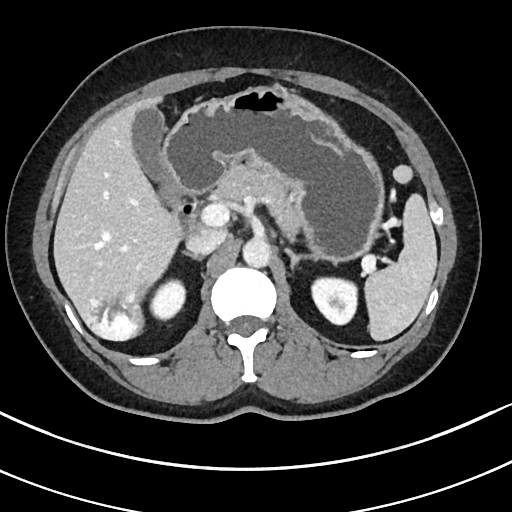
CT, abdomen/pelvis; axial view; 512x512 px
Boxes: x1 y1 x2 y2 (pixel coords, space-separated). The annotated organs in this slice are: duodenum at 173 180 201 241, stomach at 165 84 385 262, gall bladder at 133 109 173 206, right adrenal gland at 180 250 204 261, pancreas at 217 165 298 236, liver at 53 94 178 341, spleen at 363 194 437 340, aorta at 243 238 271 268, inferior vena cava at 187 227 226 254, right kidney at 151 282 183 319, left adrenal gland at 286 249 310 268, left kidney at 313 278 357 324.